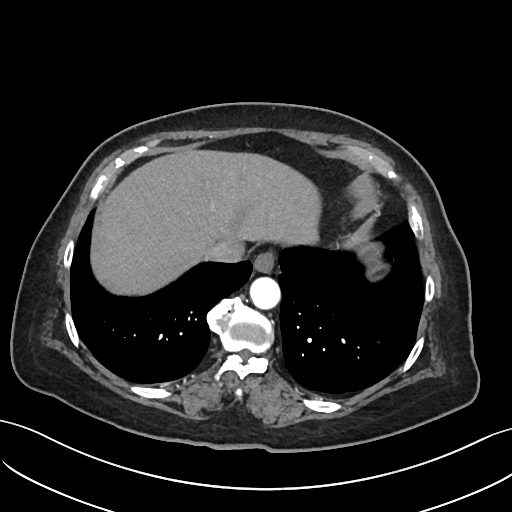
Computed tomography, abdomen · axial view · W/L 400/40 HU
Bounding boxes in pixels, one row per box: x1, y1 is the top-left corner and x2, y2 the bottom-right.
| organ | x1 | y1 | x2 | y2 |
|---|---|---|---|---|
| aorta | 250 | 277 | 280 | 309 |
| esophagus | 253 | 251 | 275 | 273 |
| inferior vena cava | 206 | 241 | 244 | 262 |
| liver | 90 | 150 | 321 | 295 |